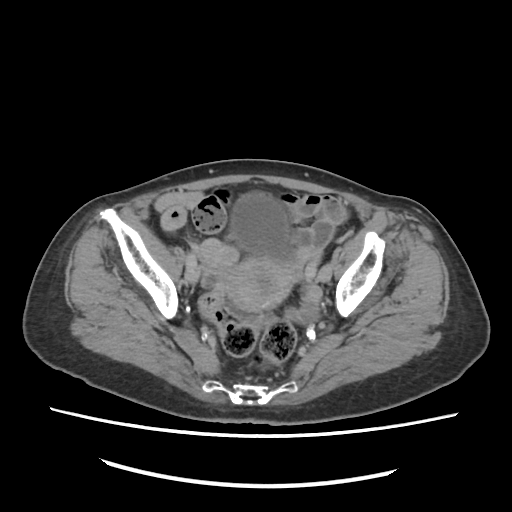
CT abdomen · axial view · W/L 400/40 HU · 512x512 px
{"organs":{"bladder":[232,193,288,254],"prostate/uterus":[199,237,294,310]}}